Abdominal CT; this slice is in the lower chest, just above the liver; axial plane, index 95; scan has 15 labeled organs (a whole-scan count: organs this slice does not pass through have no box)
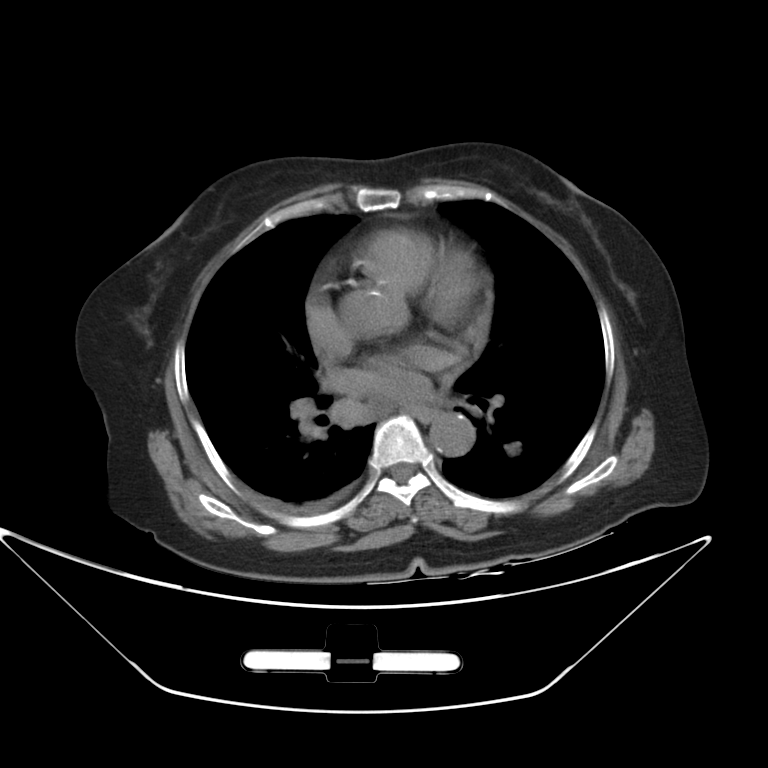
Of the structures in the chest, this dataset labels only the esophagus, the aorta and the inferior vena cava; the heart and lungs have no label. Boxes: x1 y1 x2 y2 (pixel coords, space-separated). 2 labeled organs on this slice — esophagus at 406 407 435 421; aorta at 430 412 475 456.